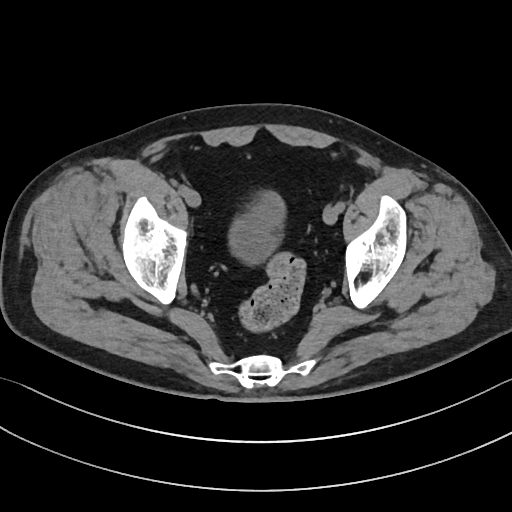

CT, abdomen/pelvis — axial view — abdomen soft-tissue window — 512x512 px — SOMATOM Force scanner
Boxes: x1:y1:x2:y2 in pixels.
bladder: 228:188:284:267